Computed tomography, abdomen — axial view — 512x512 px — acquired on SOMATOM Force
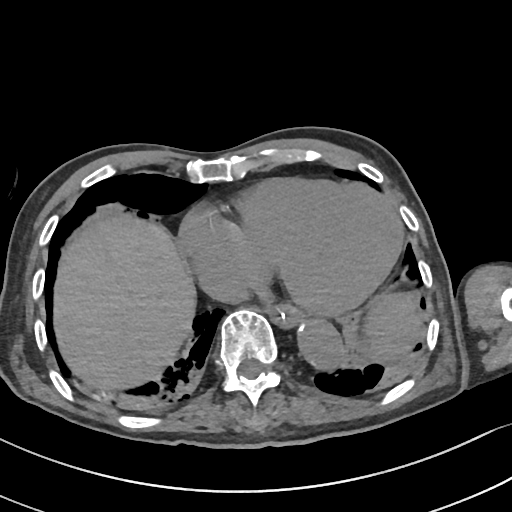 Coordinates as <box>x1,y1,x2,y2</box> in pixels.
spleen: <box>365,294,419,361</box>
esophagus: <box>269,305,302,329</box>
liver: <box>52,215,194,389</box>
aorta: <box>299,321,343,369</box>
inferior vena cava: <box>209,277,248,301</box>